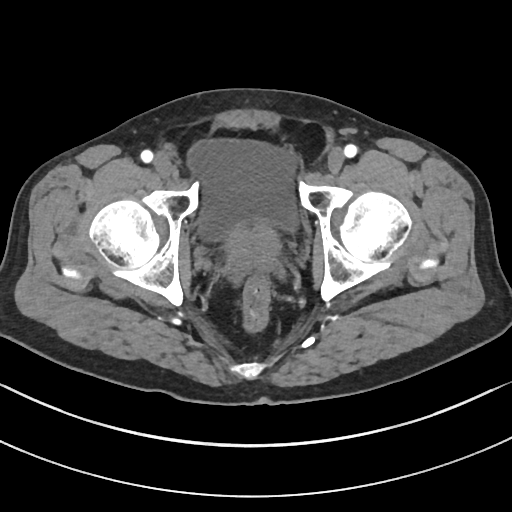

CT abdomen · axial plane, index 24 · soft-tissue window (W 400 / L 40) · SOMATOM Force scanner
Organ boxes in pixel coordinates; each row gives the top-left (x1, y1) and bottom-right (x2, y2) corners.
| organ | x1 | y1 | x2 | y2 |
|---|---|---|---|---|
| bladder | 189 | 139 | 298 | 238 |
| prostate/uterus | 225 | 219 | 281 | 266 |